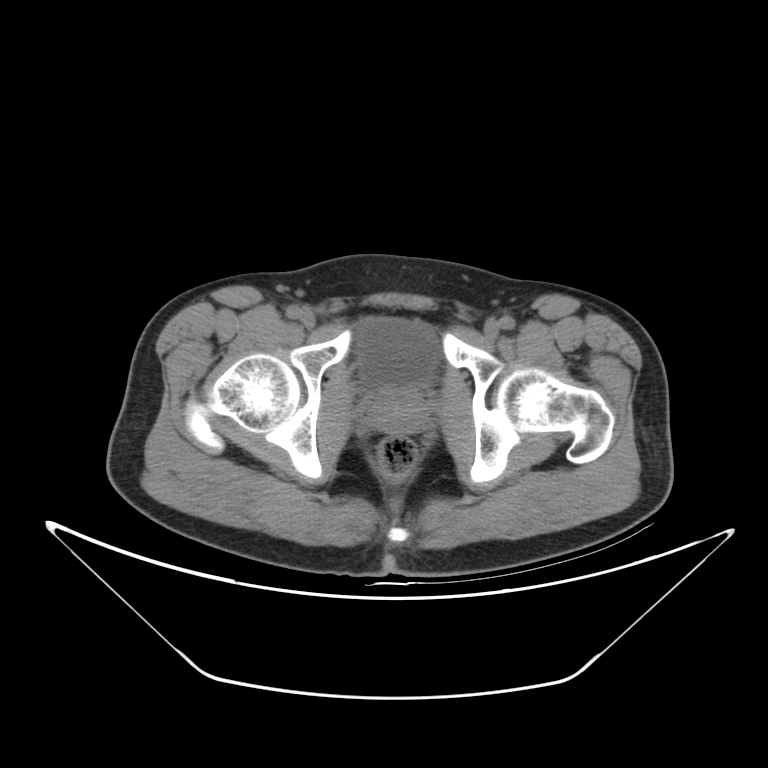
Abdominal CT · Axial slice 23/97 · W/L 400/40 HU · 768x768 px · 25-year-old male patient
{"organs":{"prostate/uterus":[369,389,426,434],"bladder":[355,318,439,390]}}